CT, abdomen/pelvis. Axial slice 236/353. 512x512 px. acquired on SOMATOM Force
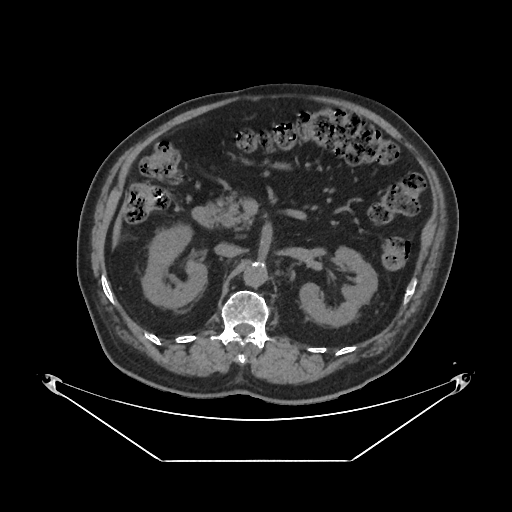 One row per box, in pixels: columns x1 and y1 give the top-left corner, x2 and y2 the bottom-right.
| organ | x1 | y1 | x2 | y2 |
|---|---|---|---|---|
| right kidney | 141 | 224 | 206 | 307 |
| left kidney | 300 | 246 | 377 | 326 |
| liver | 113 | 216 | 120 | 244 |
| aorta | 244 | 262 | 267 | 286 |
| inferior vena cava | 214 | 243 | 240 | 257 |
| pancreas | 215 | 196 | 252 | 228 |
| duodenum | 192 | 204 | 215 | 226 |